CT abdomen. axial plane, index 37. Aquilion ONE scanner. 15 organs annotated in this scan (a whole-scan count: organs this slice does not pass through have no box)
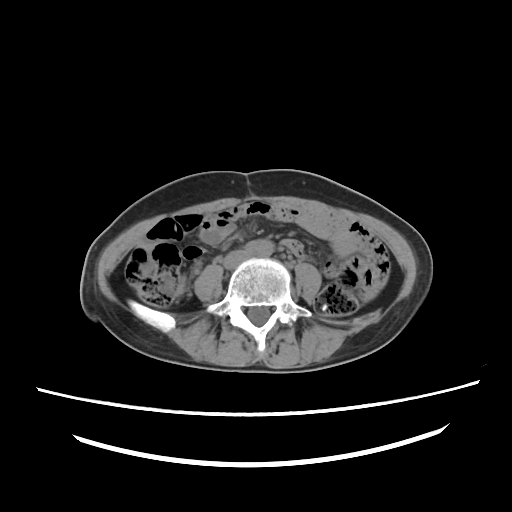
Each box given as x1,y1,x2,y2. Labeled organs on this slice: inferior vena cava at x1=223, y1=250, x2=249, y2=268.